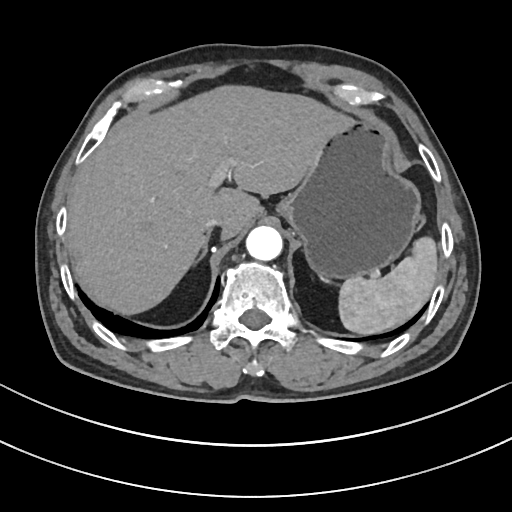

Abdominal CT · Axial slice 167/280 · 512x512 px
Boxes: x1:y1:x2:y2 in pixels.
Organ bounding boxes:
- liver: 67:85:340:314
- inferior vena cava: 204:219:222:231
- aorta: 246:226:282:260
- stomach: 277:115:421:280
- spleen: 339:237:437:334
- right adrenal gland: 195:233:209:262